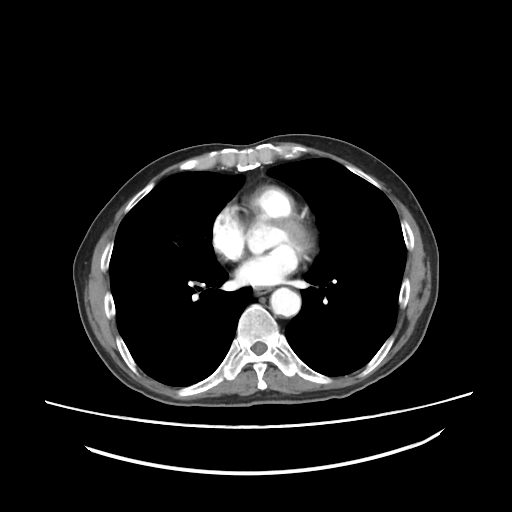
Abdominal CT reaching into the chest; this slice is in the chest — axial plane, index 96 — W/L 400/40 HU — 512x512 px — acquired on Aquilion ONE
At this level of the chest no structure but the esophagus and the aorta has a label in this dataset, and those two are boxed only where they are labeled. Each box given as x1,y1,x2,y2. Labeled organs on this slice: esophagus at x1=255, y1=287, x2=269, y2=294, aorta at x1=270, y1=287, x2=300, y2=316.